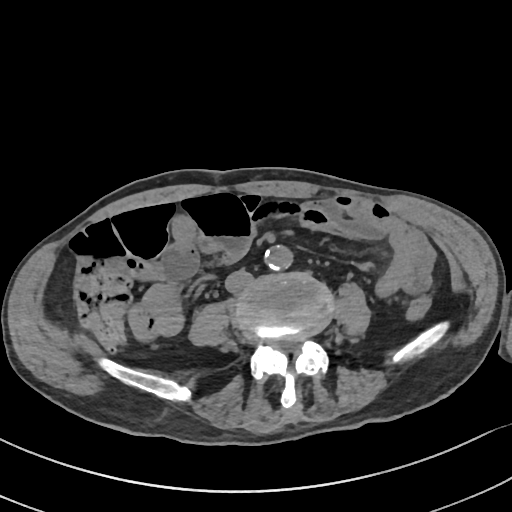 CT, abdomen/pelvis — Axial slice 92/208 — scan has 15 labeled organs (a whole-scan count: organs this slice does not pass through have no box)
{"organs":{"aorta":[264,245,292,270],"inferior vena cava":[225,270,252,293]}}